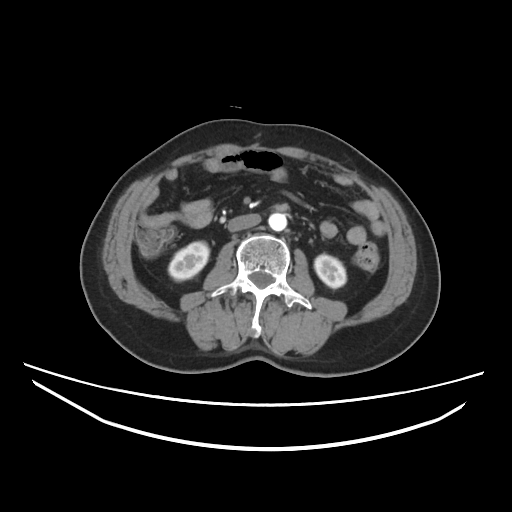 CT, abdomen/pelvis · axial view · soft-tissue window · 58-year-old male patient
Boxes: x1 y1 x2 y2 (pixel coords, space-separated).
right kidney: 168 241 209 280
left kidney: 314 255 346 287
aorta: 268 213 286 231
inferior vena cava: 228 214 260 231
duodenum: 276 202 287 210